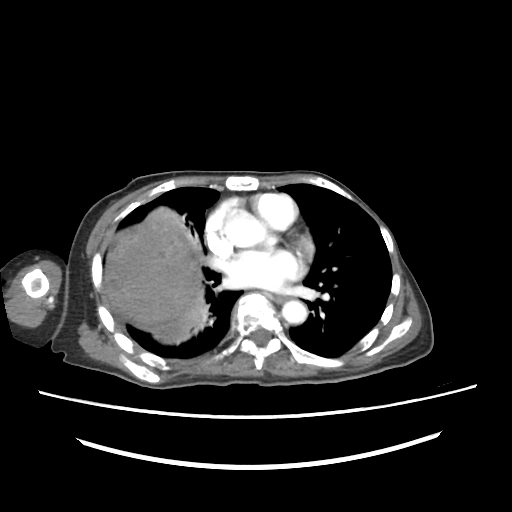

Computed tomography, abdomen. axial view. 512x512 px
Boxes: x1 y1 x2 y2 (pixel coords, space-separated).
aorta: 227 214 265 247
aorta: 281 300 307 324
liver: 105 206 205 343
esophagus: 274 296 288 304